CT abdomen — axial view — abdomen soft-tissue window — 768x768 px
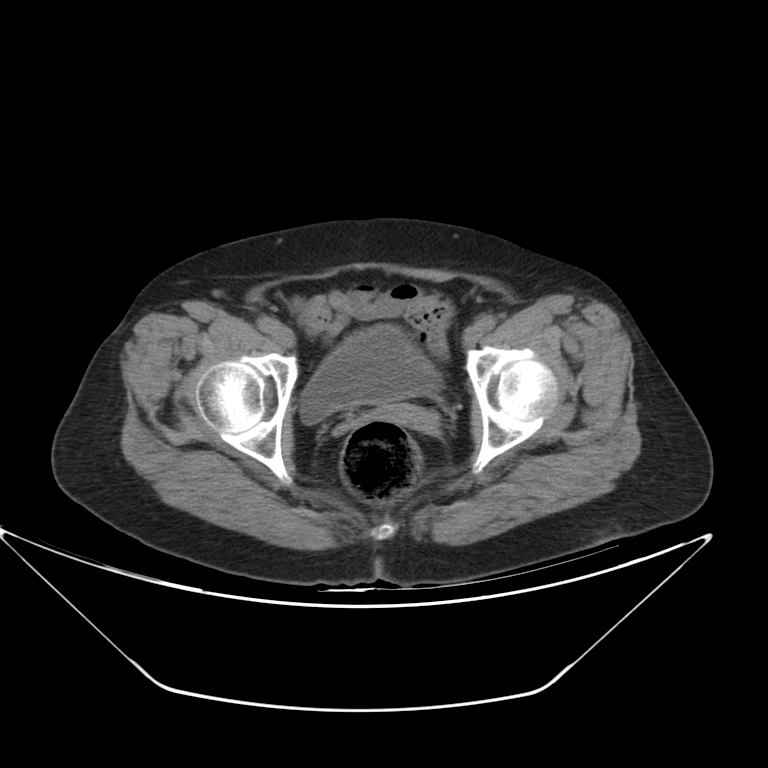
<organs><organ name="bladder" x1="299" y1="325" x2="440" y2="423"/><organ name="prostate/uterus" x1="373" y1="404" x2="429" y2="425"/></organs>